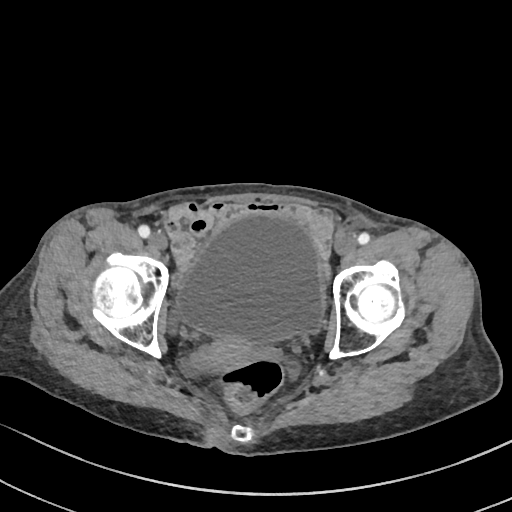
CT abdomen. axial view. SOMATOM Force scanner
Coordinates as <box>x1,y1,x2,y2</box> in pixels.
bladder: <box>177,213,323,343</box>
prostate/uterus: <box>197,336,258,370</box>